Abdominal CT; this slice is in the lower chest, just above the liver; axial plane, index 97
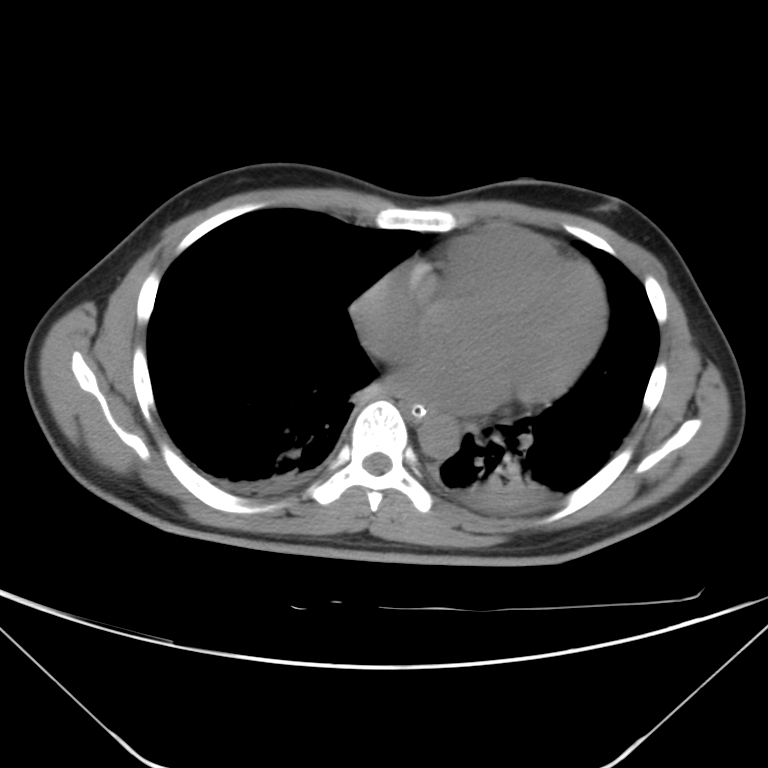 Of the structures in the chest, this dataset labels only the esophagus, the aorta and the inferior vena cava; the heart and lungs have no label.
<organs><organ name="esophagus" x1="401" y1="400" x2="430" y2="420"/><organ name="aorta" x1="418" y1="415" x2="459" y2="459"/></organs>